CT, abdomen/pelvis; axial view; abdomen soft-tissue window
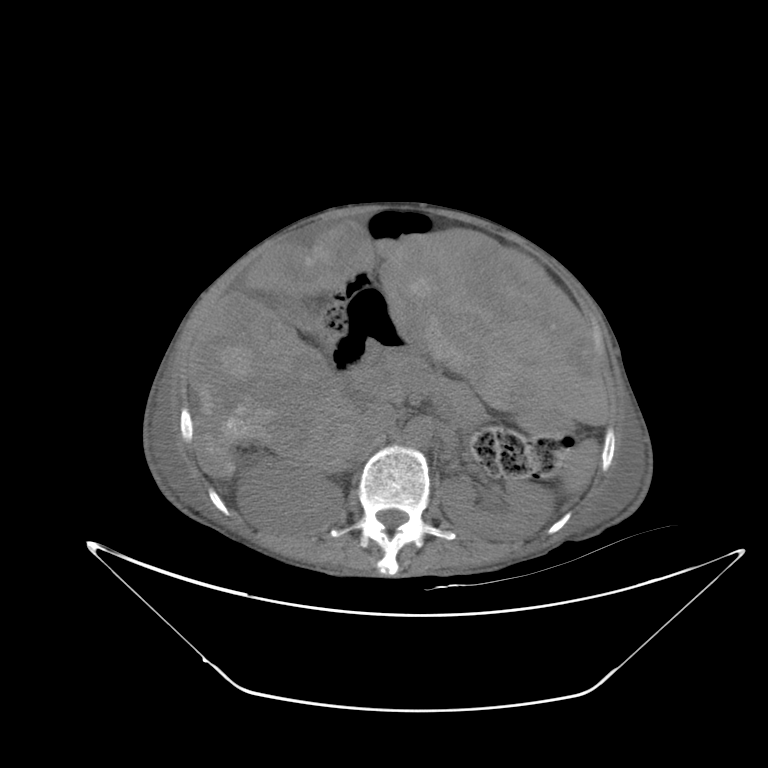
{"organs":{"aorta":[403,416,433,446],"inferior vena cava":[358,402,397,437],"gall bladder":[268,296,321,329],"spleen":[563,441,596,494],"right kidney":[237,456,342,530],"duodenum":[341,341,383,398],"left kidney":[441,477,554,540],"liver":[188,220,608,479],"stomach":[350,285,576,438],"pancreas":[366,351,485,424]}}